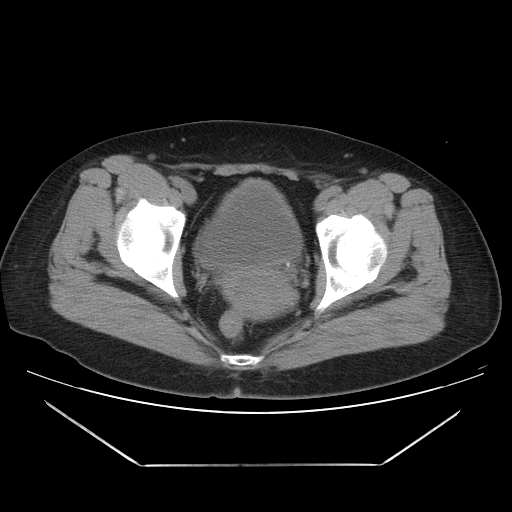 Computed tomography, abdomen. Axial slice 13/93. acquired on SOMATOM Force
Bounding boxes in pixels, one row per box: x1, y1 is the top-left corner and x2, y2 the bottom-right.
| organ | x1 | y1 | x2 | y2 |
|---|---|---|---|---|
| bladder | 195 | 179 | 301 | 268 |
| prostate/uterus | 223 | 272 | 292 | 319 |